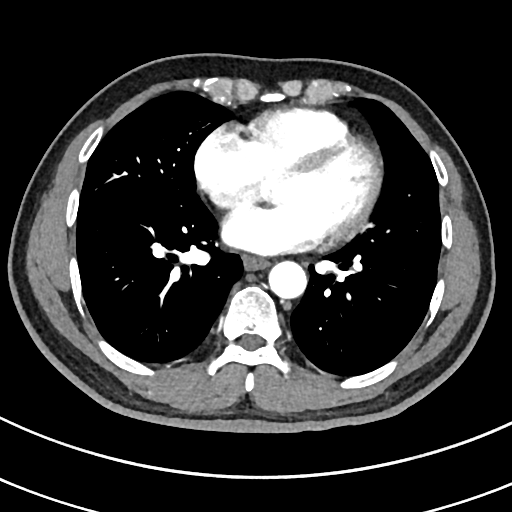 Abdominal CT; this slice is in the lower chest, just above the liver; Axial slice 213/302; acquired on SOMATOM Force
The heart and lungs are never labeled in this dataset, so they have no box on this slice.
<organs><organ name="esophagus" x1="242" y1="257" x2="268" y2="270"/><organ name="aorta" x1="269" y1="261" x2="307" y2="299"/></organs>